Abdominal CT; this slice is in the lower chest, just above the liver — axial view — W/L 400/40 HU
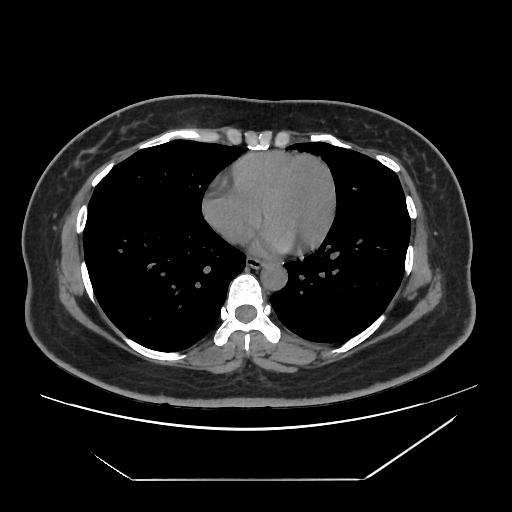
The heart and lungs are never labeled in this dataset, so they have no box on this slice.
One row per box, in pixels: columns x1 and y1 give the top-left corner, x2 and y2 the bottom-right.
| organ | x1 | y1 | x2 | y2 |
|---|---|---|---|---|
| esophagus | 246 | 257 | 264 | 268 |
| aorta | 260 | 263 | 287 | 290 |